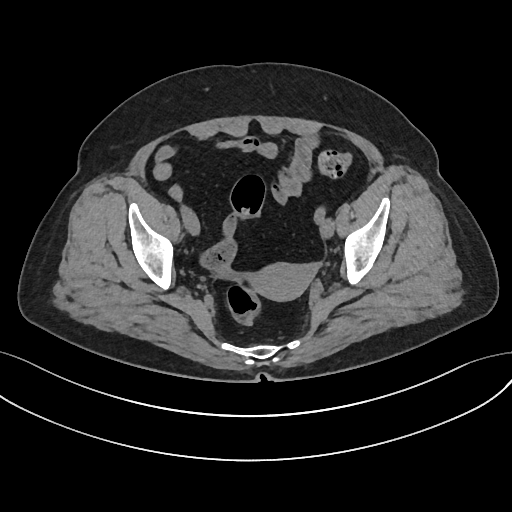

Computed tomography, abdomen. Axial slice 42/207. soft-tissue window
Coordinates as <box>x1,y1,x2,y2</box> in pixels.
Organ bounding boxes:
- prostate/uterus: <box>250,263,311,300</box>